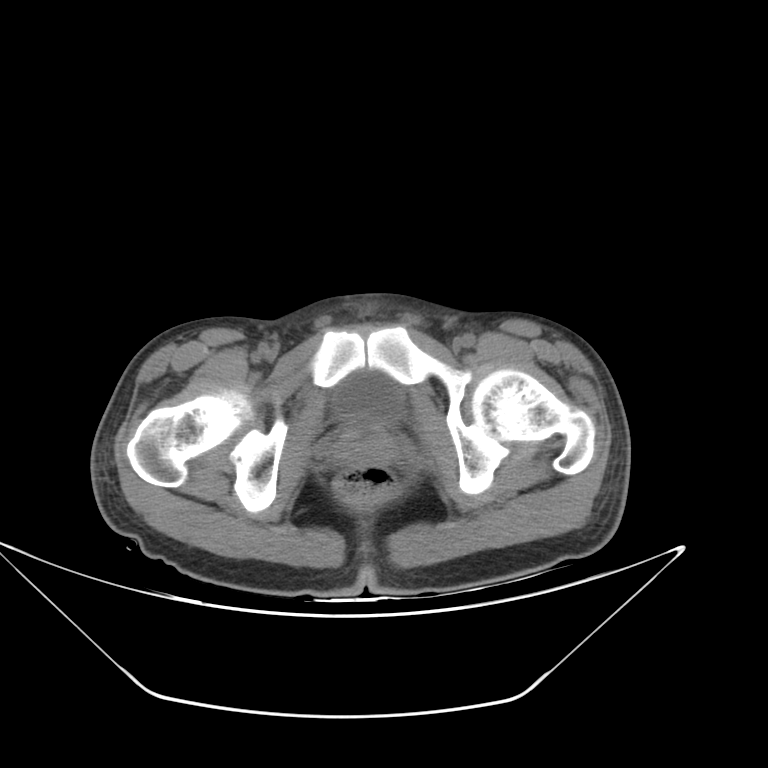 Computed tomography, abdomen — Axial slice 14/103 — 768x768 px — 15 organs annotated in this scan (counted over the whole 3D scan, not this slice; an organ is boxed only where this slice passes through it)
Each box given as x1,y1,x2,y2. Labeled organs on this slice: bladder at x1=335, y1=371, x2=403, y2=426, prostate/uterus at x1=333, y1=424, x2=395, y2=462.